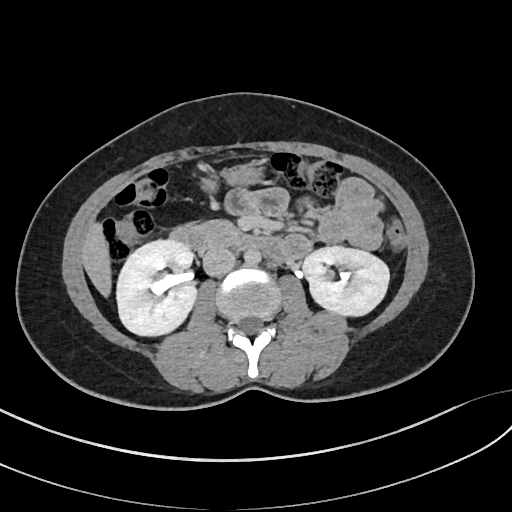

CT abdomen; Axial slice 137/219; 512x512 px
{"organs":{"right kidney":[116,238,198,335],"left kidney":[302,245,389,315],"liver":[81,223,112,295],"stomach":[201,165,261,188],"aorta":[244,248,260,264],"inferior vena cava":[202,246,235,275],"pancreas":[199,220,237,244],"duodenum":[172,226,287,260]}}